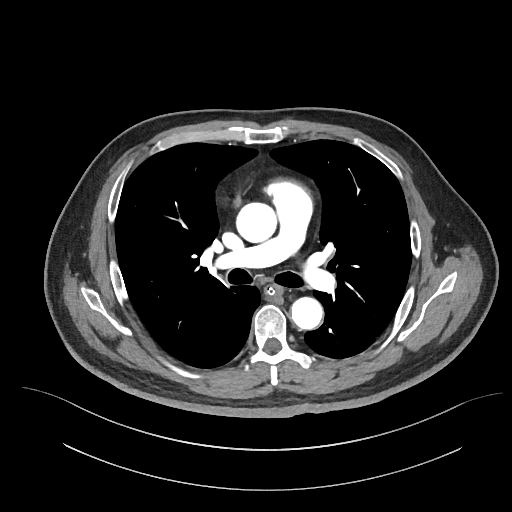
CT of the abdomen extending into the chest, slice through the chest. axial view. 512x512 px. SOMATOM Force scanner
On a slice this high in the chest, this dataset labels only the esophagus and the aorta, and each is boxed only where it is labeled; the heart, lungs and other chest structures are not labeled.
{"organs":{"aorta":[[236,202,276,242],[291,296,323,329]],"esophagus":[265,286,283,298]}}